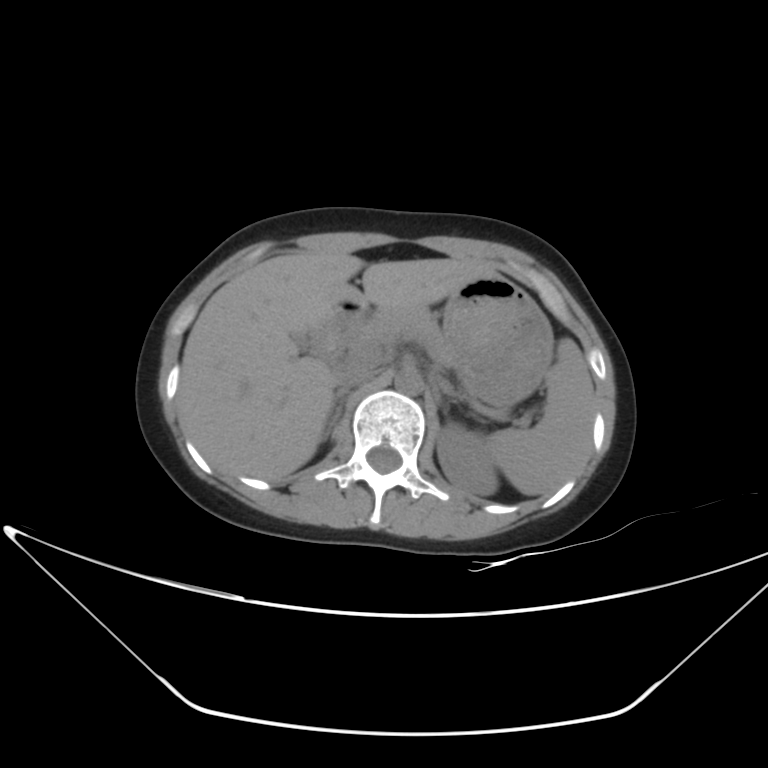

Abdominal CT · axial plane, index 62 · soft-tissue window (W 400 / L 40) · 28-year-old female patient · scan has 15 labeled organs (a whole-scan count: organs this slice does not pass through have no box)
Each box given as x1,y1,x2,y2.
left kidney: x1=437, y1=426, x2=498, y2=495
spleen: x1=489, y1=337, x2=594, y2=495
left adrenal gland: x1=438, y1=381, x2=456, y2=399
stomach: x1=443, y1=275, x2=553, y2=405
liver: x1=177, y1=250, x2=498, y2=480
duodenum: x1=311, y1=302, x2=361, y2=353
pancreas: x1=353, y1=310, x2=452, y2=364
inferior vena cava: x1=334, y1=368, x2=373, y2=393
aorta: x1=394, y1=368, x2=423, y2=394
right adrenal gland: x1=321, y1=392, x2=346, y2=442